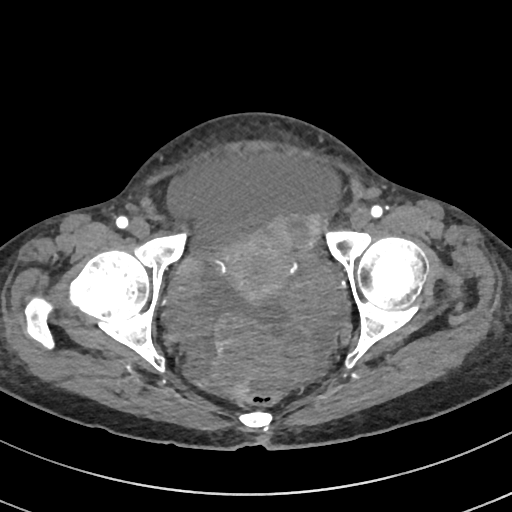
CT abdomen; axial view; SOMATOM Force scanner
Bounding boxes in pixels, one row per box: x1, y1 is the top-left corner and x2, y2 the bottom-right.
| organ | x1 | y1 | x2 | y2 |
|---|---|---|---|---|
| prostate/uterus | 221 | 231 | 295 | 300 |